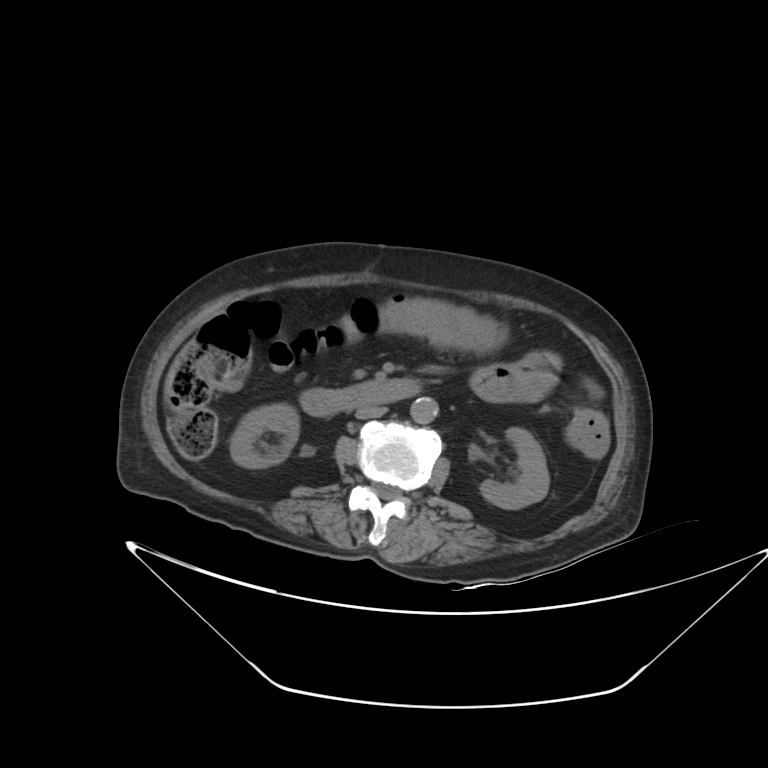 CT abdomen; axial view; abdomen soft-tissue window; 768x768 px; scan has 15 labeled organs (a whole-scan count: organs this slice does not pass through have no box)
<organs><organ name="right kidney" x1="230" y1="403" x2="299" y2="468"/><organ name="left kidney" x1="480" y1="427" x2="549" y2="509"/><organ name="aorta" x1="410" y1="397" x2="437" y2="423"/><organ name="inferior vena cava" x1="355" y1="406" x2="387" y2="419"/><organ name="duodenum" x1="301" y1="379" x2="420" y2="415"/></organs>